Abdominal CT. axial plane, index 113. 512x512 px. acquired on SOMATOM Force
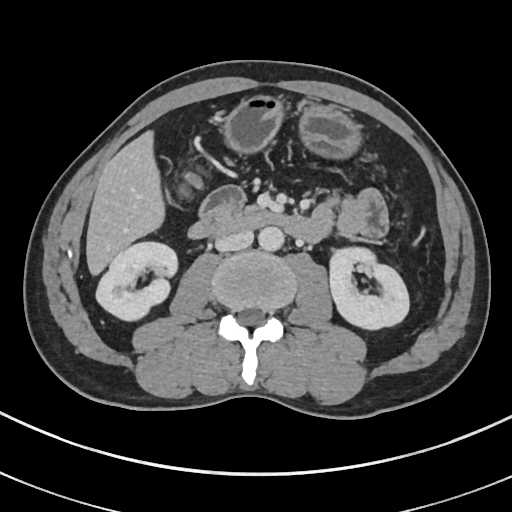
Organ boxes in pixel coordinates; each row gives the top-left (x1, y1) and bottom-right (x2, y2) corners.
| organ | x1 | y1 | x2 | y2 |
|---|---|---|---|---|
| right kidney | 96 | 241 | 177 | 320 |
| left kidney | 329 | 247 | 409 | 329 |
| liver | 86 | 130 | 164 | 275 |
| stomach | 222 | 94 | 362 | 158 |
| aorta | 258 | 226 | 284 | 250 |
| inferior vena cava | 215 | 230 | 253 | 251 |
| duodenum | 188 | 186 | 323 | 241 |